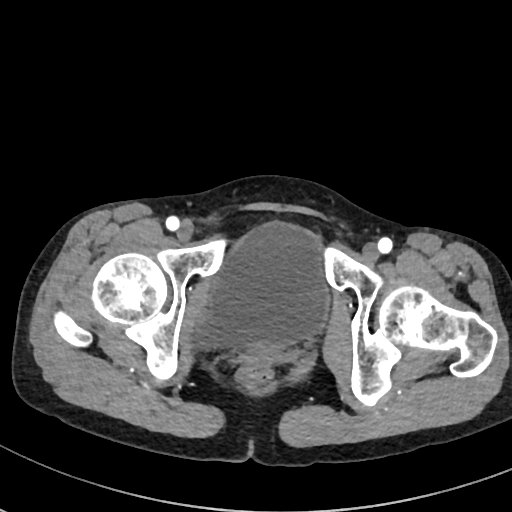

Abdominal CT; Axial slice 29/207; 512x512 px; scan has 15 labeled organs (counted over the whole 3D scan, not this slice; an organ is boxed only where this slice passes through it)
{"organs":{"bladder":[194,222,329,348]}}